Computed tomography, abdomen. axial plane, index 18. abdomen soft-tissue window. 47-year-old male patient. scan has 15 labeled organs (counted over the whole 3D scan, not this slice; an organ is boxed only where this slice passes through it)
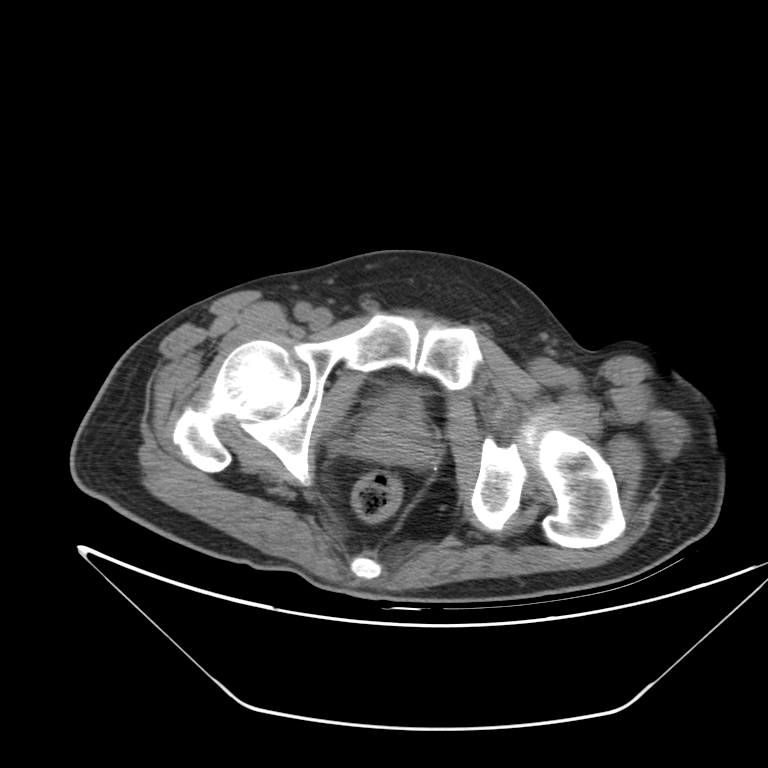 One row per box, in pixels: columns x1 and y1 give the top-left corner, x2 and y2 the bottom-right.
| organ | x1 | y1 | x2 | y2 |
|---|---|---|---|---|
| prostate/uterus | 358 | 409 | 432 | 465 |
| bladder | 387 | 389 | 419 | 413 |